Abdominal CT. axial view. 43-year-old female patient
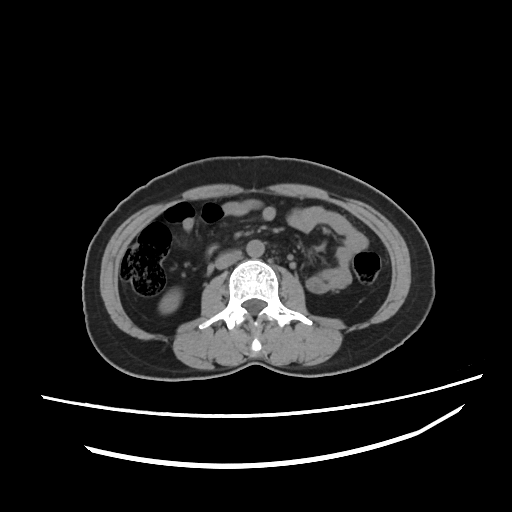
Organ boxes in pixel coordinates; each row gives the top-left (x1, y1) and bottom-right (x2, y2) corners.
| organ | x1 | y1 | x2 | y2 |
|---|---|---|---|---|
| aorta | 245 | 240 | 263 | 258 |
| right kidney | 158 | 293 | 180 | 312 |
| inferior vena cava | 216 | 252 | 240 | 268 |